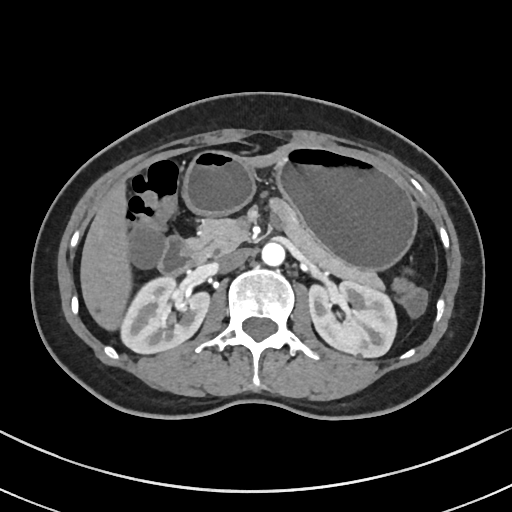 CT abdomen. axial view
<organs><organ name="inferior vena cava" x1="216" y1="249" x2="248" y2="272"/><organ name="right kidney" x1="120" y1="277" x2="208" y2="353"/><organ name="left kidney" x1="308" y1="280" x2="398" y2="356"/><organ name="duodenum" x1="158" y1="236" x2="203" y2="274"/><organ name="liver" x1="81" y1="152" x2="274" y2="327"/><organ name="stomach" x1="183" y1="144" x2="415" y2="268"/><organ name="aorta" x1="261" y1="241" x2="284" y2="265"/><organ name="pancreas" x1="188" y1="214" x2="381" y2="286"/></organs>